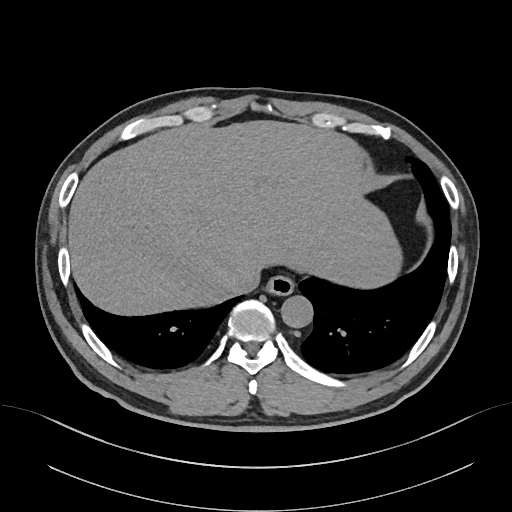 Abdominal CT · axial plane, index 228 · soft-tissue window (W 400 / L 40)
{"organs":{"inferior vena cava":[229,268,260,294],"esophagus":[266,275,294,295],"liver":[68,120,401,314],"aorta":[281,295,313,327]}}